Abdominal CT reaching into the chest; this slice is in the chest; Axial slice 284/302
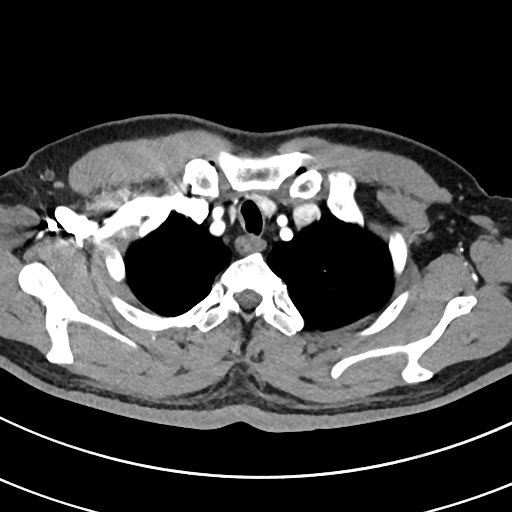 At this level of the chest no structure but the esophagus and the aorta has a label in this dataset, and those two are boxed only where they are labeled.
Box edges are left/top/right/bottom in pixels.
esophagus: left=235, top=235, right=266, bottom=252